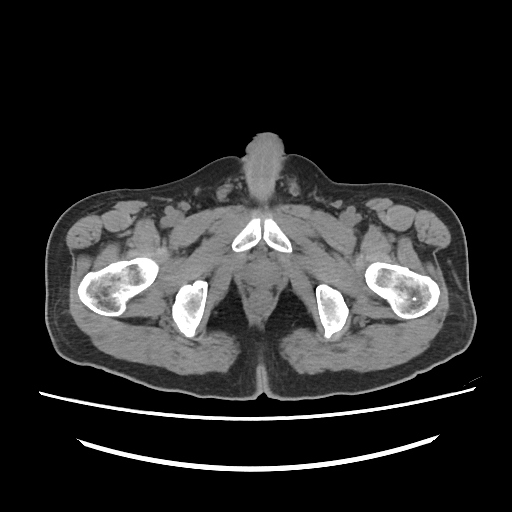

Abdominal CT; Axial slice 8/87; abdomen soft-tissue window; scan has 14 labeled organs (a whole-scan count: organs this slice does not pass through have no box)
Boxes: x1:y1:x2:y2 in pixels.
prostate/uterus: 246:261:277:286